Lower-chest slice from an abdominal MRI, just above the liver and spleen · axial plane, index 71 · 576x468 px · 13 organs annotated in this scan (counted over the whole 3D scan, not this slice; an organ is boxed only where this slice passes through it)
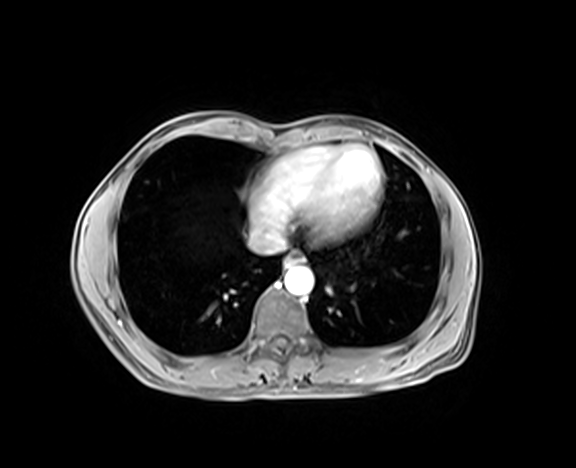 Of the structures in the chest, this dataset labels only the esophagus, the aorta and the inferior vena cava; the heart and lungs have no label. Boxes are (x1, y1, x2, y2) in pixels. Labeled organs on this slice: esophagus at (284, 252, 303, 268), inferior vena cava at (248, 229, 284, 254), aorta at (285, 267, 313, 294).